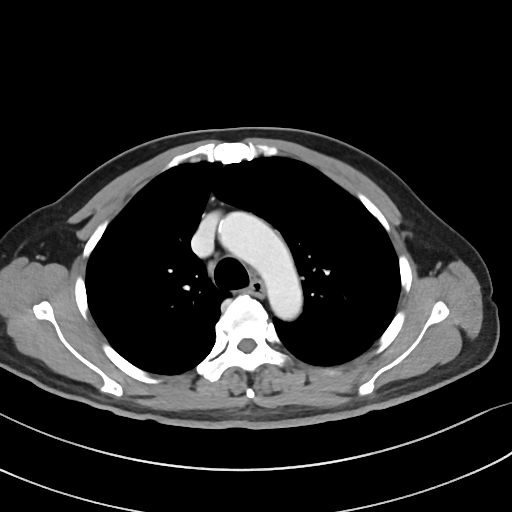 Abdominal CT reaching into the chest; this slice is in the chest — axial view — soft-tissue window (W 400 / L 40) — 512x512 px
At this level of the chest this dataset labels only the esophagus and the aorta, and each is boxed only where it is labeled; the heart and lungs are never labeled.
<organs><organ name="esophagus" x1="249" y1="279" x2="264" y2="296"/><organ name="aorta" x1="219" y1="212" x2="302" y2="319"/></organs>